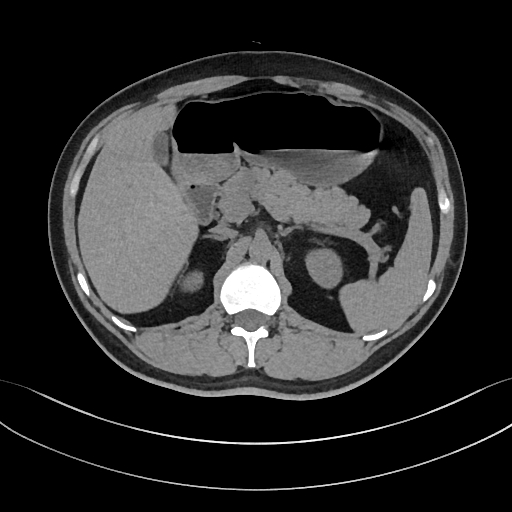 Abdominal CT — axial view — soft-tissue window (W 400 / L 40) — SOMATOM Force scanner
Coordinates as <box>x1,y1,x2,y2</box> in pixels.
Organ bounding boxes:
- spleen: <box>341,187,432,334</box>
- right kidney: <box>185,274,202,289</box>
- left kidney: <box>305,250,341,286</box>
- gall bladder: <box>153,132,169,166</box>
- liver: <box>76,102,197,313</box>
- stomach: <box>172,90,385,187</box>
- aorta: <box>249,238,271,263</box>
- inferior vena cava: <box>211,224,236,238</box>
- pancreas: <box>221,167,368,232</box>
- right adrenal gland: <box>206,235,226,239</box>
- left adrenal gland: <box>279,225,296,238</box>
- duodenum: <box>180,180,219,225</box>